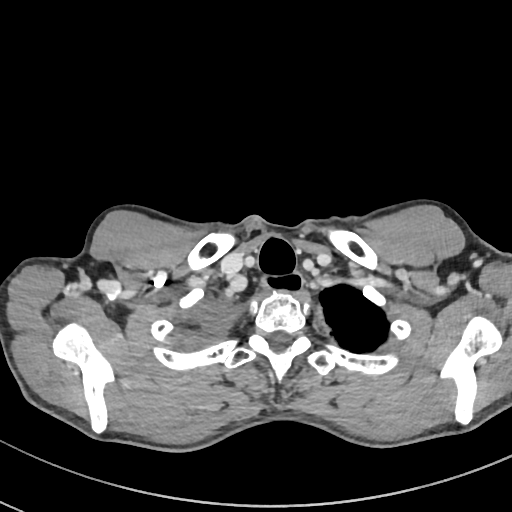 CT of the abdomen extending into the chest, slice through the chest · axial plane, index 296
At this level of the chest this dataset labels only the esophagus and the aorta, and each is boxed only where it is labeled; the heart and lungs are never labeled.
{"organs":{"esophagus":[263,271,302,291]}}